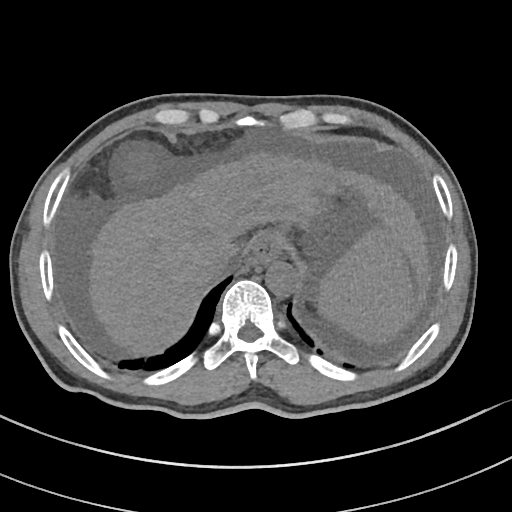
CT abdomen. axial plane, index 178. soft-tissue window
<organs><organ name="spleen" x1="317" y1="228" x2="413" y2="340"/><organ name="gall bladder" x1="129" y1="156" x2="150" y2="177"/><organ name="esophagus" x1="250" y1="233" x2="279" y2="264"/><organ name="liver" x1="90" y1="154" x2="429" y2="350"/><organ name="aorta" x1="266" y1="262" x2="299" y2="297"/><organ name="inferior vena cava" x1="206" y1="248" x2="234" y2="276"/></organs>